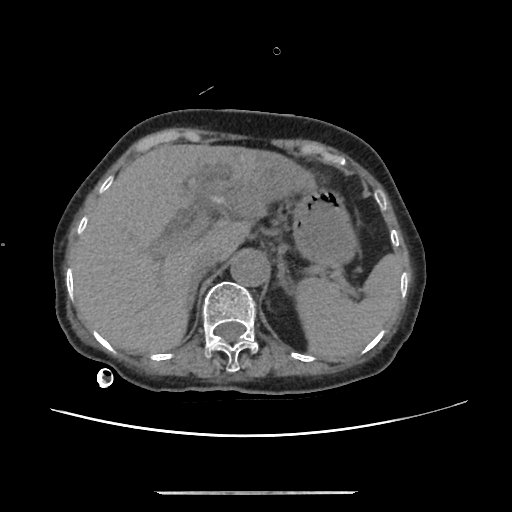 CT, abdomen/pelvis; axial view; abdomen soft-tissue window; 512x512 px
Each box given as x1,y1,x2,y2. Labeled organs on this slice: stomach at x1=292, y1=186, x2=358, y2=266, inferior vena cava at x1=192, y1=249, x2=220, y2=277, liver at x1=70, y1=144, x2=316, y2=352, aorta at x1=230, y1=252, x2=268, y2=286, left adrenal gland at x1=277, y1=259, x2=290, y2=291, spleen at x1=294, y1=254, x2=401, y2=361, right adrenal gland at x1=188, y1=277, x2=200, y2=309.